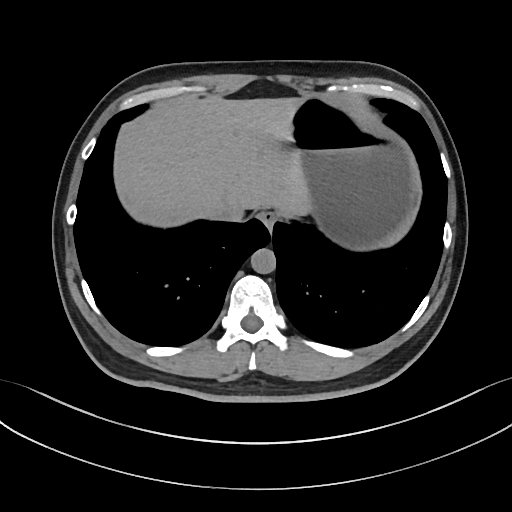 Abdominal CT; axial view; soft-tissue window (W 400 / L 40); acquired on SOMATOM Force; scan has 15 labeled organs (that count is for the whole scan; organs this slice misses have no box)
<organs><organ name="esophagus" x1="257" y1="210" x2="277" y2="229"/><organ name="liver" x1="116" y1="97" x2="313" y2="226"/><organ name="stomach" x1="291" y1="100" x2="416" y2="248"/><organ name="aorta" x1="250" y1="248" x2="276" y2="273"/><organ name="inferior vena cava" x1="211" y1="200" x2="245" y2="220"/></organs>